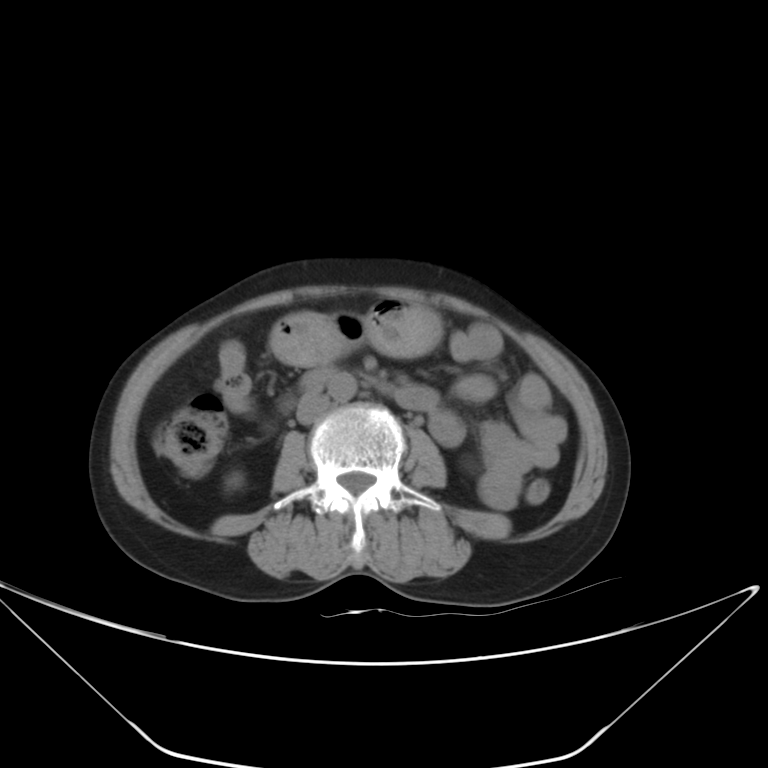
Computed tomography, abdomen; axial view; W/L 400/40 HU; Brilliance16 scanner
<organs><organ name="inferior vena cava" x1="296" y1="393" x2="330" y2="425"/><organ name="aorta" x1="328" y1="372" x2="356" y2="401"/><organ name="right kidney" x1="223" y1="469" x2="245" y2="493"/><organ name="stomach" x1="273" y1="298" x2="439" y2="363"/><organ name="duodenum" x1="300" y1="369" x2="331" y2="394"/></organs>